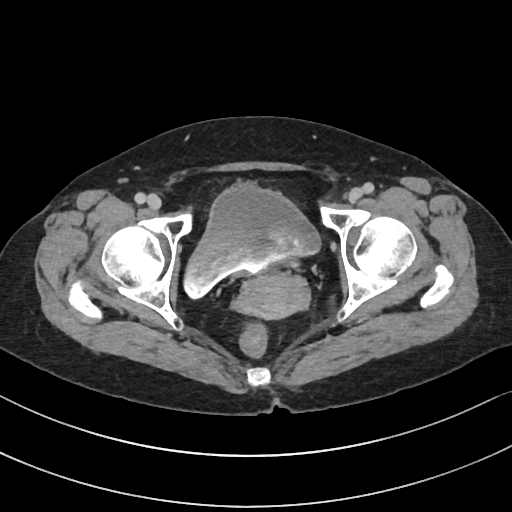

CT, abdomen/pelvis. Axial slice 30/212. W/L 400/40 HU
Boxes are (x1, y1, x2, y2) in pixels.
Organ bounding boxes:
- bladder: (186, 185, 320, 295)
- prostate/uterus: (234, 276, 308, 317)